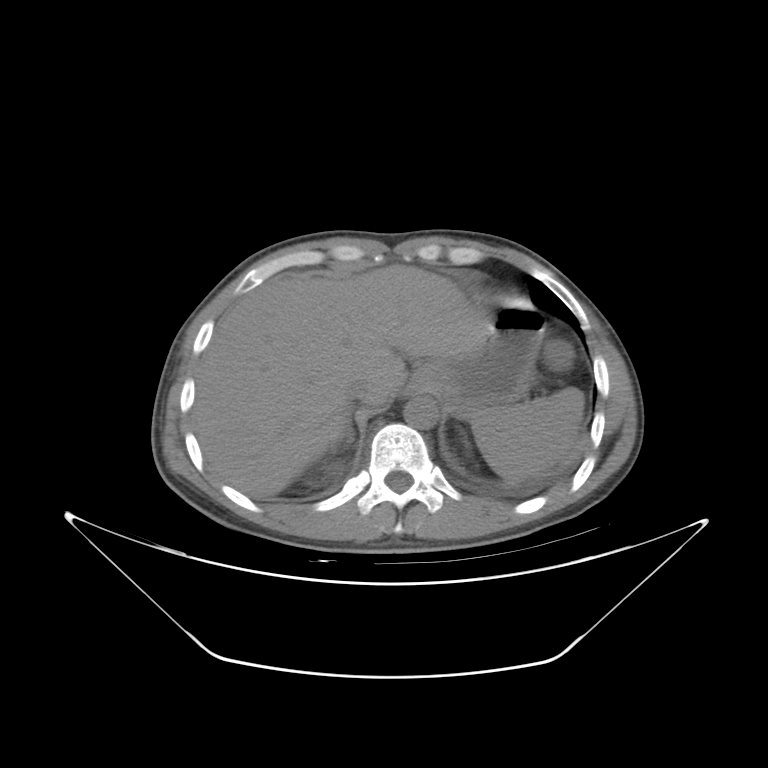 Computed tomography, abdomen · axial view · 768x768 px · 39-year-old male patient
<organs><organ name="spleen" x1="471" y1="387" x2="584" y2="482"/><organ name="liver" x1="196" y1="264" x2="490" y2="499"/><organ name="stomach" x1="406" y1="306" x2="544" y2="419"/><organ name="aorta" x1="403" y1="397" x2="438" y2="429"/><organ name="inferior vena cava" x1="346" y1="379" x2="372" y2="403"/><organ name="right adrenal gland" x1="329" y1="415" x2="355" y2="451"/></organs>